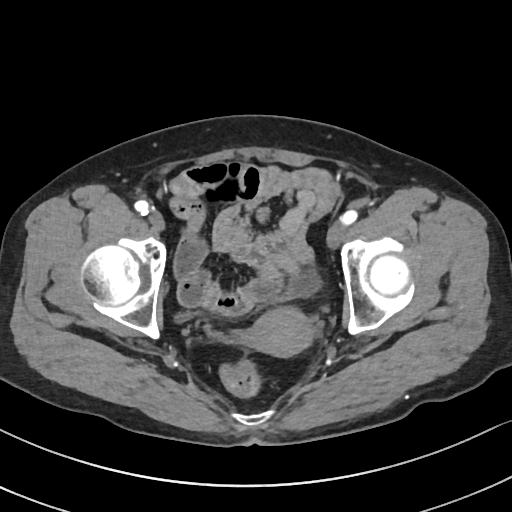 CT, abdomen/pelvis — axial view — soft-tissue window — 512x512 px
{"organs":{"bladder":[178,273,320,322],"prostate/uterus":[245,306,314,356]}}